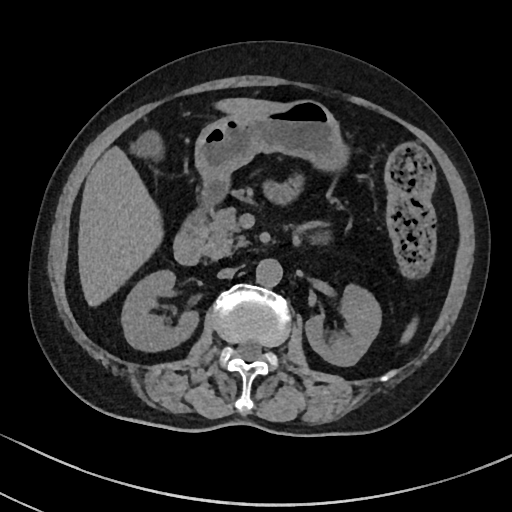
Computed tomography, abdomen; axial view; soft-tissue window (W 400 / L 40)
Boxes: x1 y1 x2 y2 (pixel coords, space-separated).
spleen: 402 320 414 344
right kidney: 122 271 200 352
left kidney: 305 287 380 367
gall bladder: 127 129 168 169
liver: 78 98 287 306
stomach: 194 101 347 183
aorta: 256 259 282 287
inferior vena cava: 217 268 235 278
pancreas: 203 206 248 258
duodenum: 173 183 230 264